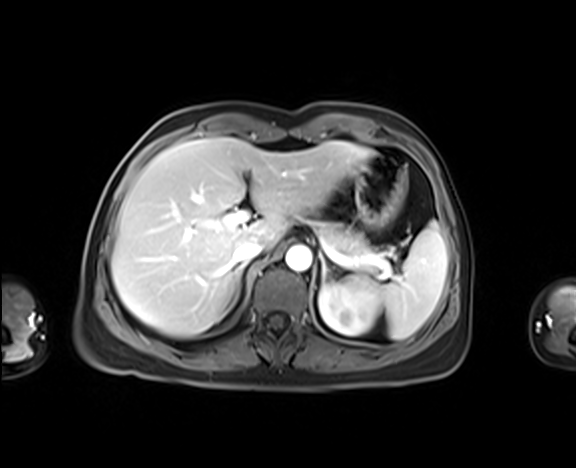

MRI, abdomen · axial view · percentile-normalized · 576x468 px
Box edges are left/top/right/bottom in pixels.
spleen: left=342, top=223, right=447, bottom=339
left kidney: left=318, top=283, right=377, bottom=335
liver: left=110, top=138, right=373, bottom=337
stomach: left=355, top=153, right=407, bottom=229
aorta: left=285, top=245, right=311, bottom=270
inferior vena cava: left=233, top=241, right=263, bottom=264
pancreas: left=318, top=222, right=373, bottom=267
right adrenal gland: left=233, top=266, right=242, bottom=302
left adrenal gland: left=319, top=254, right=326, bottom=284